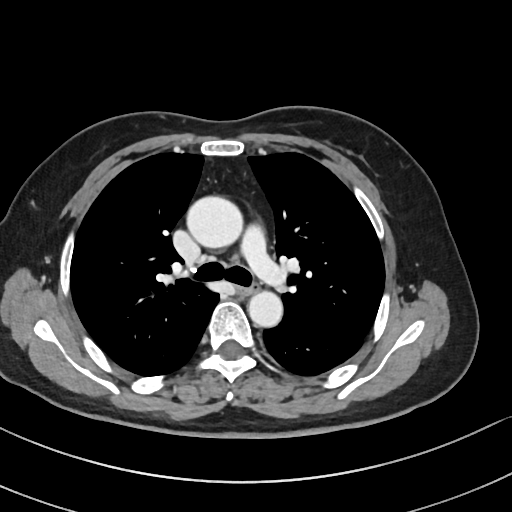 Chest-level slice from an abdominal CT that extends up into the chest — axial view — 14 organs annotated in this scan (counted over the whole 3D scan, not this slice; an organ is boxed only where this slice passes through it)
On a slice this high in the chest, this dataset labels only the esophagus and the aorta, and each is boxed only where it is labeled; the heart, lungs and other chest structures are not labeled. Each box given as x1,y1,x2,y2. 2 labeled organs on this slice — aorta at x1=186, y1=196, x2=242, y2=248; aorta at x1=247, y1=290, x2=282, y2=327; esophagus at x1=238, y1=283, x2=256, y2=295.